CT abdomen. axial plane, index 88. soft-tissue window (W 400 / L 40)
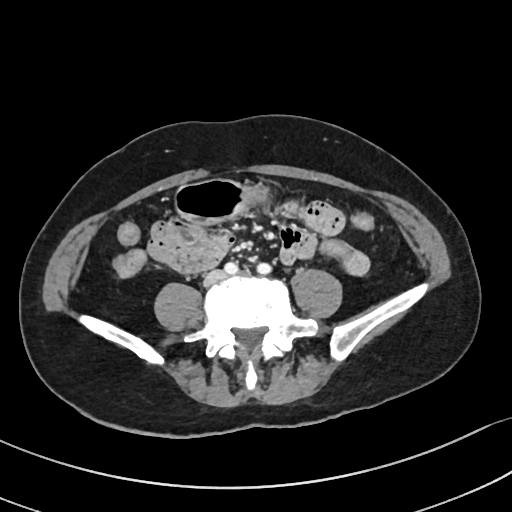 Organ boxes in pixel coordinates; each row gives the top-left (x1, y1) and bottom-right (x2, y2) corners.
| organ | x1 | y1 | x2 | y2 |
|---|---|---|---|---|
| stomach | 175 | 180 | 268 | 224 |